Abdominal CT; Axial slice 163/252; 512x512 px
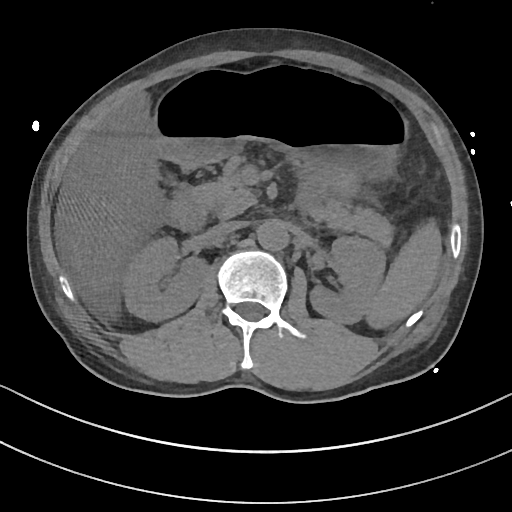
Bounding boxes as [x1, y1, x2, y2] in pixel coordinates.
Organ bounding boxes:
- left kidney: [308, 238, 384, 324]
- duodenum: [170, 189, 209, 230]
- right kidney: [125, 238, 207, 322]
- inferior vena cava: [208, 221, 245, 237]
- spleen: [364, 222, 442, 330]
- stomach: [154, 70, 409, 185]
- liver: [57, 90, 166, 288]
- aorta: [258, 219, 288, 251]
- pancreas: [193, 156, 391, 247]